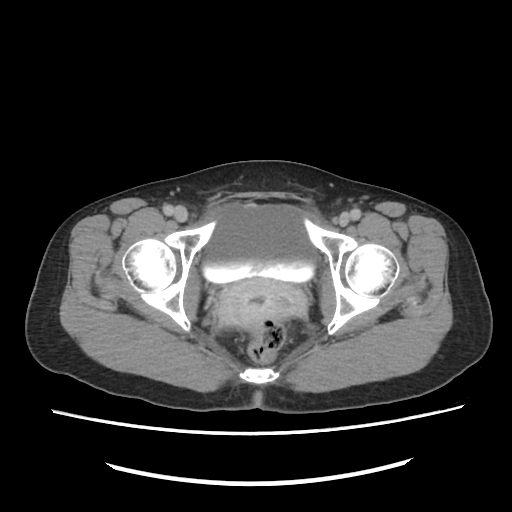 Computed tomography, abdomen. axial view. soft-tissue window (W 400 / L 40). 512x512 px. 50-year-old female patient
Box edges are left/top/right/bottom in pixels. 2 labeled organs on this slice — bladder at left=200, top=206, right=317, bottom=284; prostate/uterus at left=221, top=279, right=306, bottom=326.